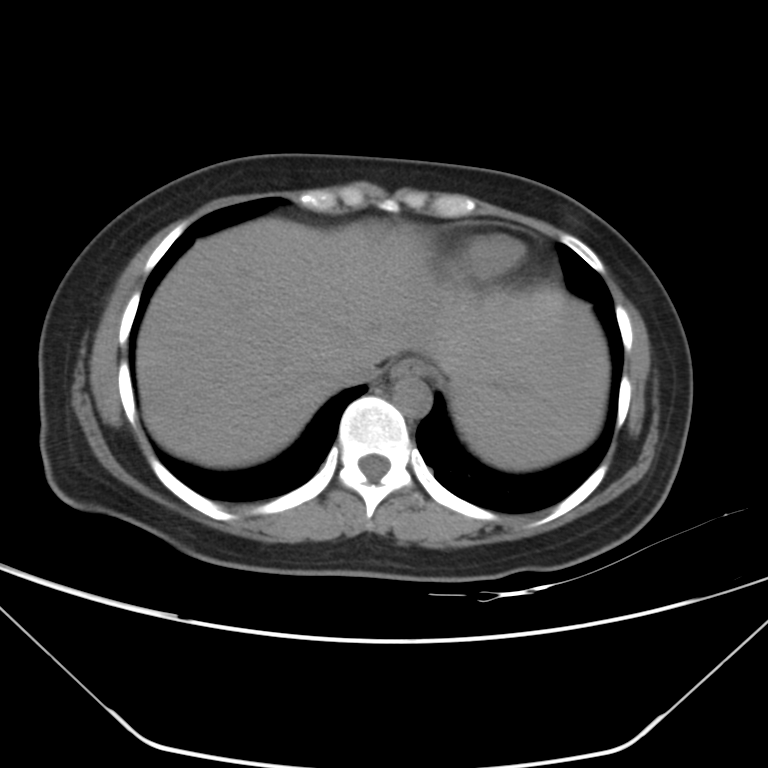

CT, abdomen/pelvis — Axial slice 78/83 — 768x768 px
Boxes: x1 y1 x2 y2 (pixel coords, space-separated). Labeled organs on this slice: spleen at 450 381 603 471, esophagus at 389 359 427 378, liver at 137 218 610 468, aorta at 392 376 430 417, inferior vena cava at 337 347 383 383.